Abdominal CT; this slice is in the lower chest, just above the liver; axial view; soft-tissue window, W/L 400/40; 49-year-old male patient
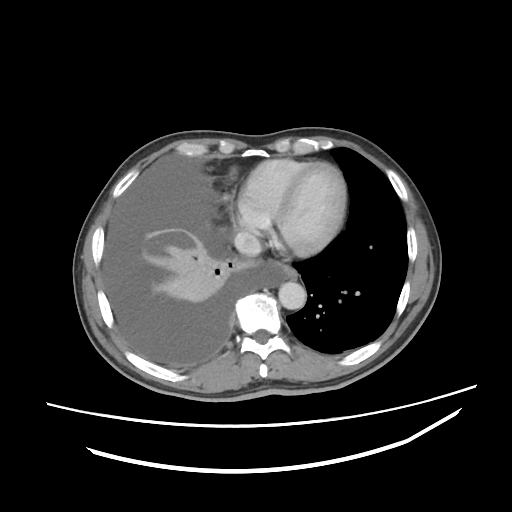

No part of the heart or lungs is labeled in this dataset, so neither has a box here.
{"organs":{"esophagus":[277,263,297,278],"aorta":[278,281,306,309],"inferior vena cava":[234,232,261,256]}}